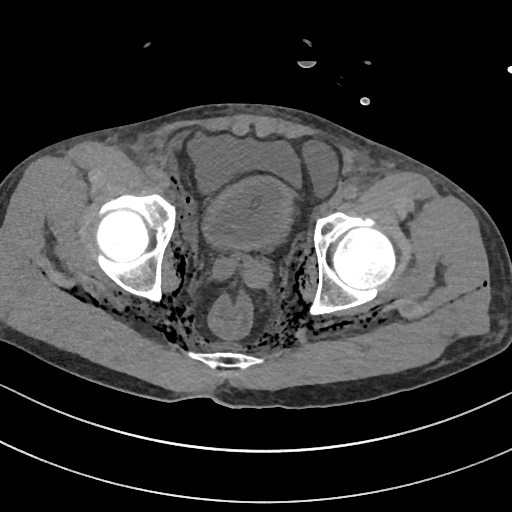

CT abdomen. axial view. SOMATOM Force scanner
Box edges are left/top/right/bottom in pixels. 1 labeled organ on this slice — bladder at left=205, top=177, right=292, bottom=249.